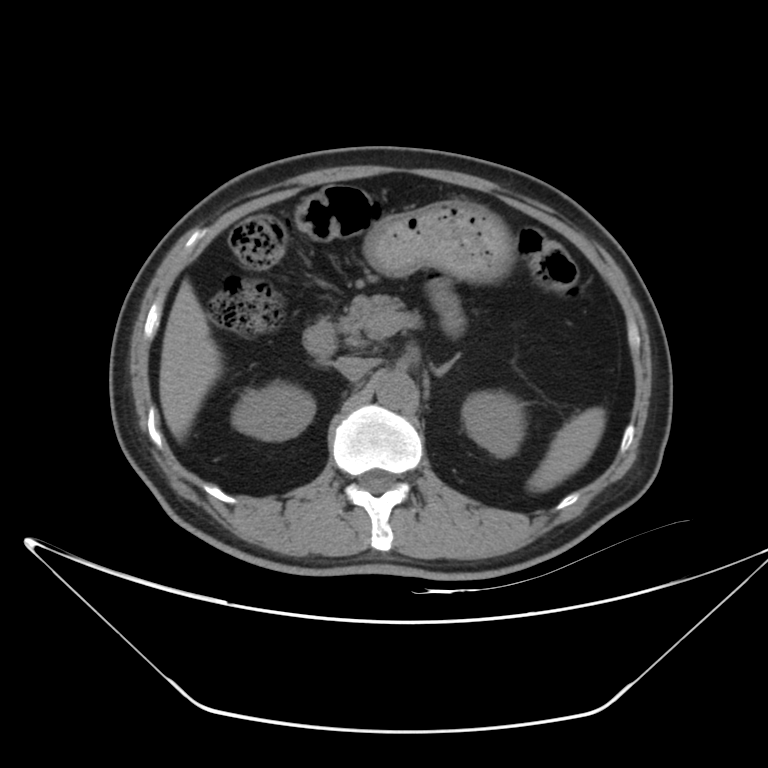 Computed tomography, abdomen; axial view; soft-tissue window (W 400 / L 40); 56-year-old male patient
Coordinates as <box>x1,y1,x2,y2</box> in pixels.
stomach: <box>363,200,513,282</box>
liver: <box>159,279,220,440</box>
duodenum: <box>302,320,336,357</box>
pancreas: <box>337,295,406,348</box>
right kidney: <box>232,387,315,440</box>
inferior vena cava: <box>334,357,372,380</box>
spleen: <box>529,407,604,488</box>
aorta: <box>375,370,417,409</box>
left kidney: <box>462,391,525,457</box>
left adrenal gland: <box>432,356,458,374</box>